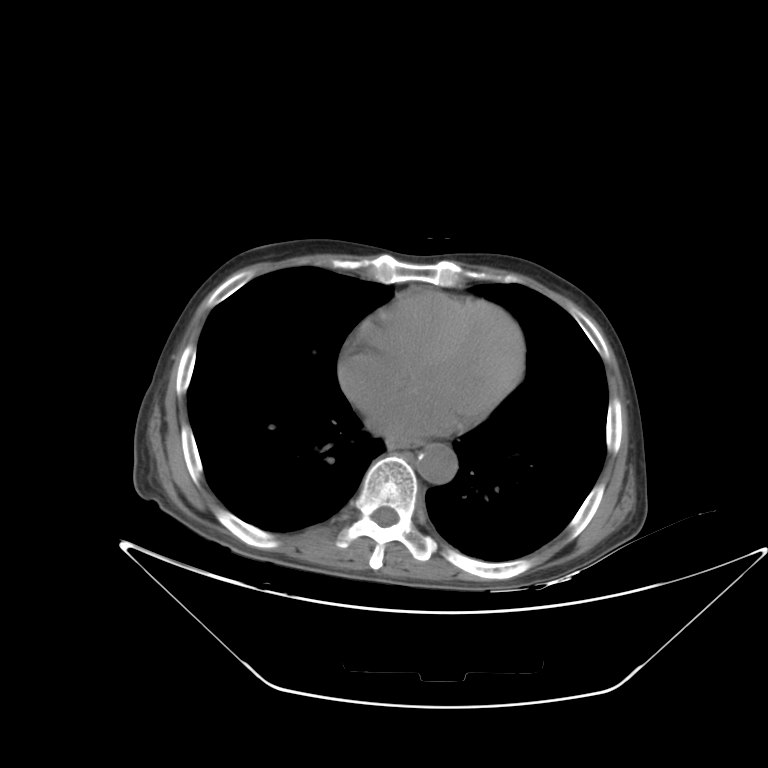

CT of the abdomen reaching into the lower chest, slice just above the liver and spleen · Axial slice 95/99 · W/L 400/40 HU · 768x768 px
The heart and lungs are never labeled in this dataset, so they have no box on this slice.
Boxes: x1:y1:x2:y2 in pixels.
Organ bounding boxes:
- esophagus: 388:439:420:447
- aorta: 416:443:457:483